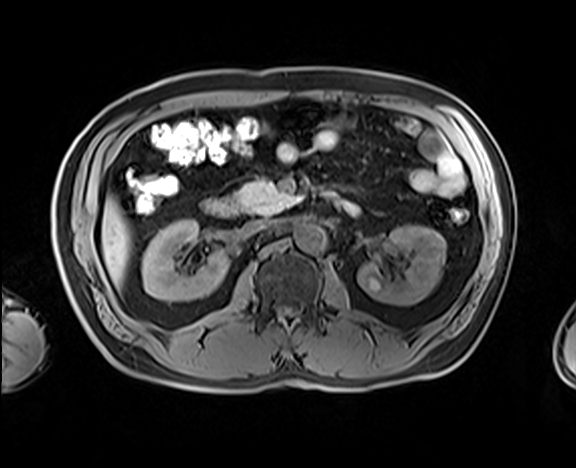

MRI, abdomen. axial view
Coordinates as <box>x1,y1,x2,y2</box> in pixels. The annotated organs in this slice are: duodenum at <box>202,199,239,216</box>, inferior vena cava at <box>245,220,281,233</box>, pancreas at <box>233,179,296,214</box>, right kidney at <box>142,219,229,301</box>, left kidney at <box>357,225,445,305</box>, liver at <box>101,196,130,287</box>, aorta at <box>295,224,326,252</box>.